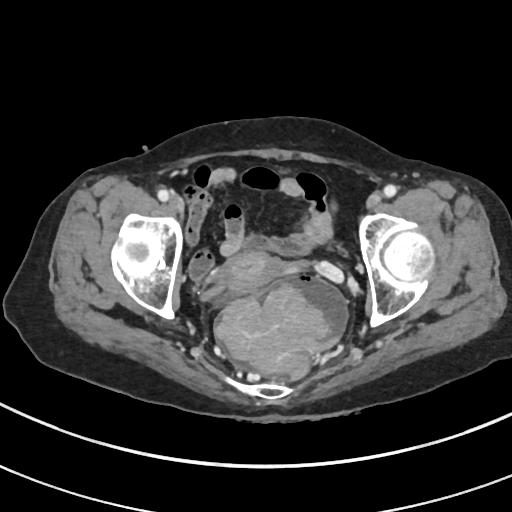 Computed tomography, abdomen · axial view
Coordinates as <box>x1,y1,x2,y2</box> in pixels.
Organ bounding boxes:
- prostate/uterus: <box>219,251,283,297</box>